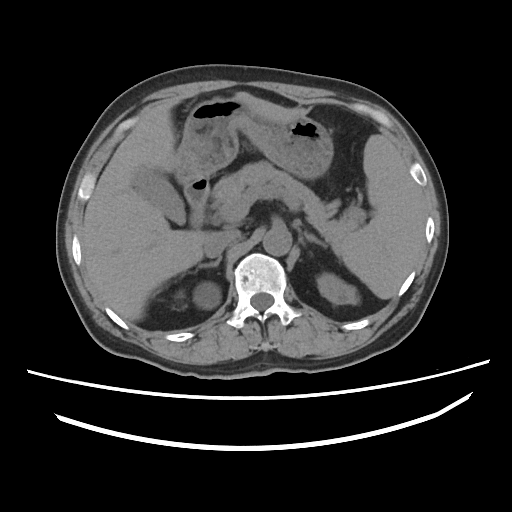

CT abdomen. axial plane, index 76. W/L 400/40 HU. 512x512 px. 48-year-old male patient. acquired on Aquilion ONE. 15 organs annotated in this scan (that count is for the whole scan; organs this slice misses have no box)
Organ boxes in pixel coordinates; each row gives the top-left (x1, y1) and bottom-right (x2, y2) corners.
| organ | x1 | y1 | x2 | y2 |
|---|---|---|---|---|
| spleen | 334 | 134 | 425 | 299 |
| right kidney | 173 | 281 | 221 | 309 |
| left kidney | 317 | 273 | 358 | 304 |
| gall bladder | 132 | 167 | 185 | 223 |
| liver | 83 | 92 | 295 | 321 |
| stomach | 173 | 97 | 333 | 185 |
| aorta | 263 | 227 | 291 | 255 |
| inferior vena cava | 203 | 231 | 238 | 257 |
| pancreas | 210 | 161 | 363 | 246 |
| right adrenal gland | 197 | 256 | 221 | 269 |
| left adrenal gland | 304 | 231 | 327 | 248 |
| duodenum | 184 | 178 | 208 | 227 |